Abdominal CT — axial view — scan has 15 labeled organs (counted over the whole 3D scan, not this slice; an organ is boxed only where this slice passes through it)
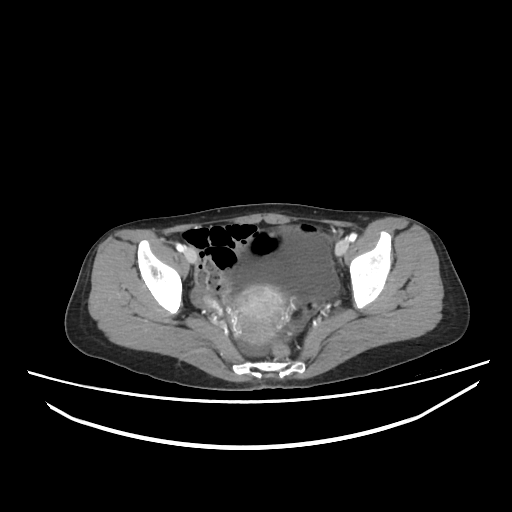 Bounding boxes as [x1, y1, x2, y2] in pixel coordinates.
Organ bounding boxes:
- bladder: [233, 228, 338, 298]
- prostate/uterus: [234, 285, 286, 345]